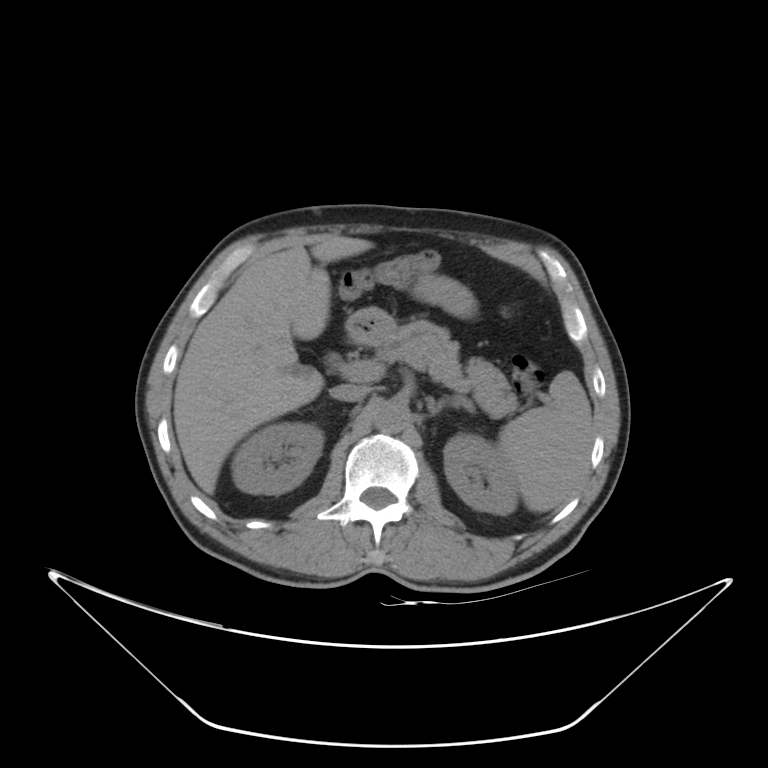

Computed tomography, abdomen; axial plane, index 68; W/L 400/40 HU; 768x768 px; 59-year-old male patient; scan has 15 labeled organs (a whole-scan count: organs this slice does not pass through have no box)
Box edges are left/top/right/bottom in pixels.
spleen: left=498, top=371, right=591, bottom=511
right kidney: left=231, top=423, right=323, bottom=493
left kidney: left=443, top=433, right=518, bottom=514
liver: left=173, top=235, right=373, bottom=493
stomach: left=345, top=307, right=396, bottom=344
aorta: left=374, top=401, right=407, bottom=433
inferior vena cava: left=330, top=384, right=370, bottom=401
pancreas: left=376, top=320, right=518, bottom=418
left adrenal gland: left=426, top=397, right=459, bottom=415